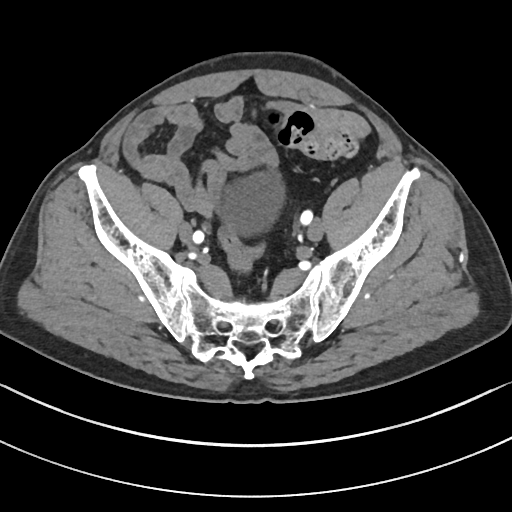

Computed tomography, abdomen — axial plane, index 50 — 512x512 px
Boxes: x1:y1:x2:y2 in pixels.
bladder: 226:173:283:233